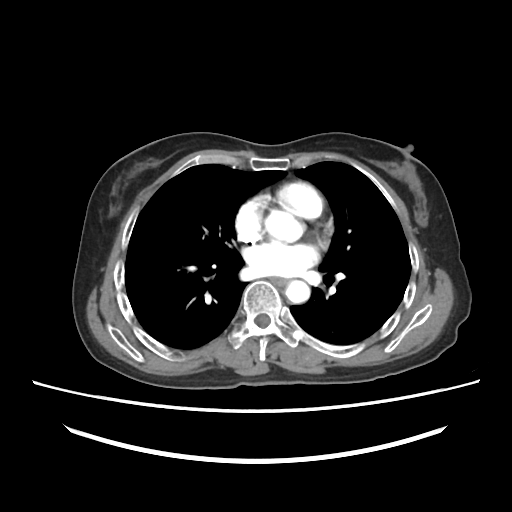
Lower-chest slice from an abdominal CT, just above the liver and spleen · Axial slice 93/96
The heart and lungs are never labeled in this dataset, so they have no box on this slice.
Boxes: x1:y1:x2:y2 in pixels.
esophagus: 269:277:288:286
aorta: 285:280:310:303